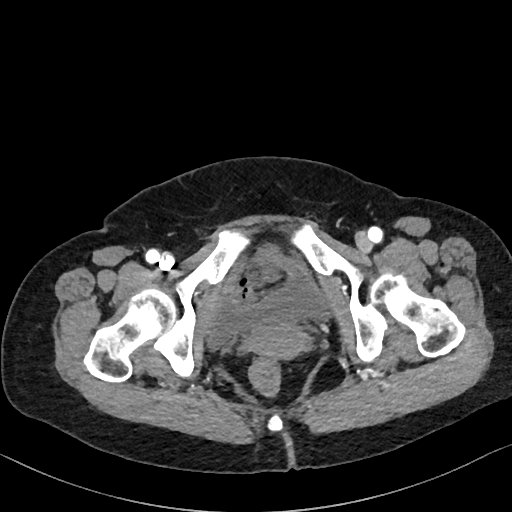 Computed tomography, abdomen; axial view; abdomen soft-tissue window; 512x512 px; scan has 15 labeled organs (a whole-scan count: organs this slice does not pass through have no box)
Boxes: x1 y1 x2 y2 (pixel coords, space-separated). Labeled organs on this slice: prostate/uterus at 251 324 305 355, bladder at 211 253 321 342.